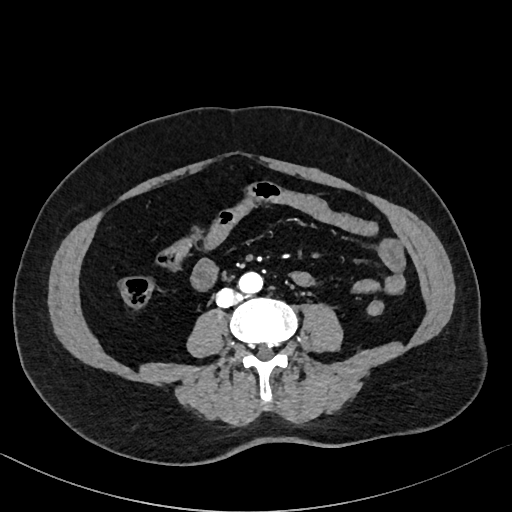
Computed tomography, abdomen; axial view; abdomen soft-tissue window; scan has 15 labeled organs (a whole-scan count: organs this slice does not pass through have no box)
Boxes: x1 y1 x2 y2 (pixel coords, space-separated). Labeled organs on this slice: aorta at 238 271 263 293, inferior vena cava at 216 288 238 307.